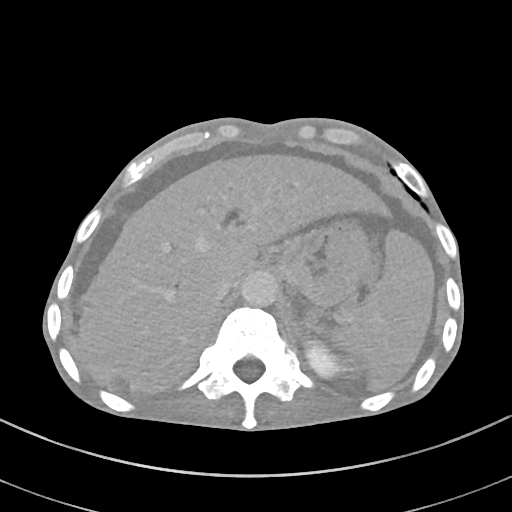
Abdominal CT — Axial slice 74/92 — W/L 400/40 HU
Bounding boxes as [x1, y1, x2, y2] in pixel coordinates.
Organ bounding boxes:
- liver: [79, 154, 393, 391]
- spleen: [328, 230, 434, 388]
- stomach: [276, 220, 369, 305]
- left kidney: [306, 341, 342, 377]
- aorta: [240, 270, 278, 306]
- inferior vena cava: [213, 277, 235, 300]